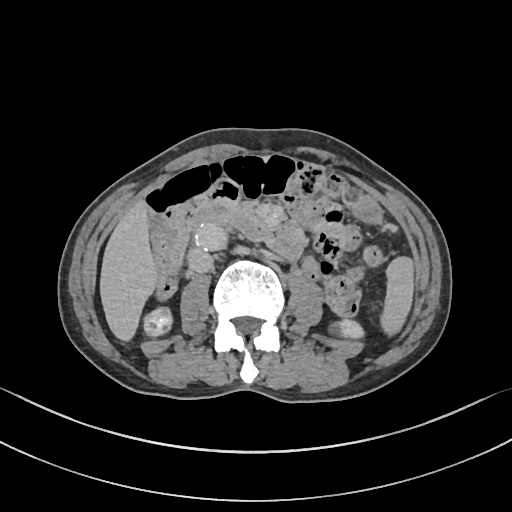

Abdominal CT. axial view. W/L 400/40 HU. 512x512 px. 15 organs annotated in this scan (a whole-scan count: organs this slice does not pass through have no box)
Bounding boxes in pixels, one row per box: x1, y1 is the top-left corner and x2, y2 the bottom-right.
| organ | x1 | y1 | x2 | y2 |
|---|---|---|---|---|
| spleen | 380 | 256 | 414 | 335 |
| right kidney | 143 | 307 | 172 | 337 |
| left kidney | 329 | 318 | 363 | 338 |
| gall bladder | 157 | 221 | 168 | 231 |
| liver | 99 | 200 | 158 | 341 |
| stomach | 350 | 196 | 382 | 223 |
| aorta | 194 | 222 | 227 | 251 |
| inferior vena cava | 188 | 248 | 213 | 272 |
| pancreas | 235 | 205 | 264 | 222 |
| duodenum | 196 | 200 | 305 | 259 |